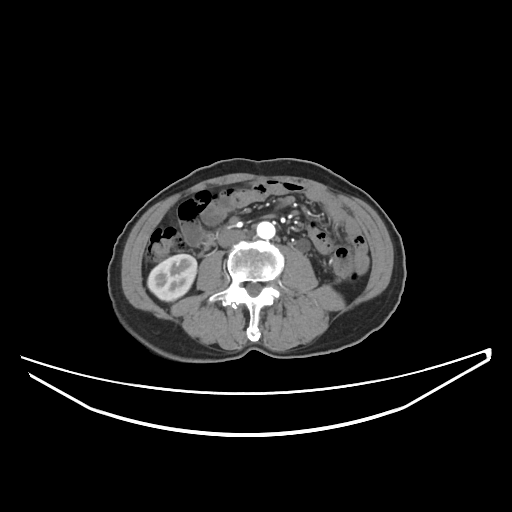 CT, abdomen/pelvis — axial view — 62-year-old male patient — scan has 15 labeled organs (a whole-scan count: organs this slice does not pass through have no box)
Each box given as x1,y1,x2,y2.
inferior vena cava: x1=217, y1=229, x2=245, y2=247
right kidney: x1=147, y1=254, x2=196, y2=301
duodenum: x1=204, y1=233, x2=212, y2=241
aorta: x1=256, y1=221, x2=275, y2=239